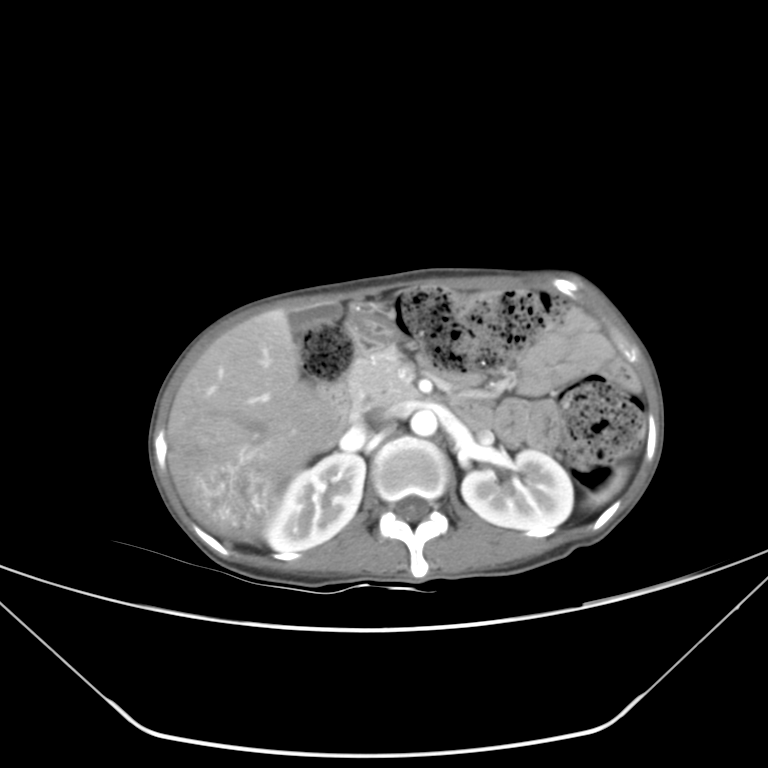 CT, abdomen/pelvis · Axial slice 62/89 · 32-year-old female patient · acquired on Brilliance16
Box edges are left/top/right/bottom in pixels.
spleen: left=591, top=470, right=624, bottom=504
right kidney: left=264, top=452, right=365, bottom=550
left kidney: left=461, top=450, right=573, bottom=533
gall bladder: left=290, top=303, right=339, bottom=331
liver: left=168, top=309, right=335, bottom=541
stomach: left=346, top=310, right=393, bottom=347
aorta: left=410, top=409, right=437, bottom=436
inferior vena cava: left=349, top=403, right=392, bottom=427
pancreas: left=344, top=345, right=417, bottom=407
duodenum: left=319, top=380, right=491, bottom=438